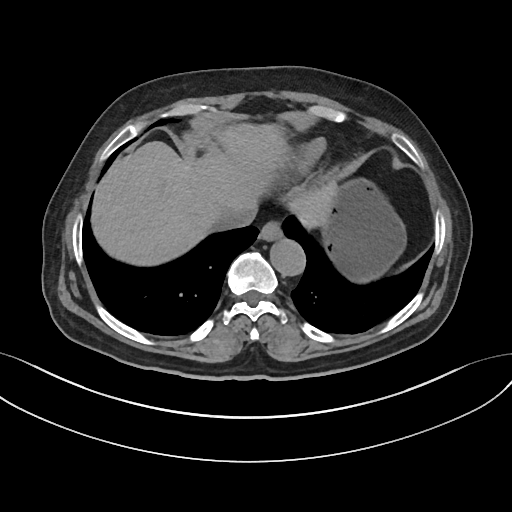

CT abdomen. axial plane, index 186. W/L 400/40 HU. scan has 15 labeled organs (counted over the whole 3D scan, not this slice; an organ is boxed only where this slice passes through it)
Box edges are left/top/right/bottom in pixels. 5 labeled organs on this slice — esophagus at left=259, top=220, right=282, bottom=239; liver at left=90, top=125, right=335, bottom=264; stomach at left=323, top=180, right=407, bottom=283; aorta at left=269, top=238, right=304, bottom=275; inferior vena cava at left=216, top=206, right=255, bottom=230.